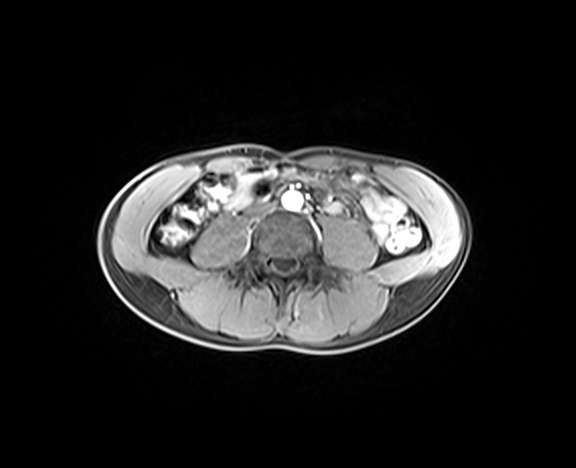

Magnetic resonance imaging, abdomen; axial plane, index 6; 1st–99th percentile window
Bounding boxes in pixels, one row per box: x1, y1 is the top-left corner and x2, y2 the bottom-right.
| organ | x1 | y1 | x2 | y2 |
|---|---|---|---|---|
| aorta | 282 | 192 | 302 | 209 |
| inferior vena cava | 247 | 202 | 278 | 217 |